Abdominal CT — axial view — 512x512 px — scan has 15 labeled organs (that count is for the whole scan; organs this slice misses have no box)
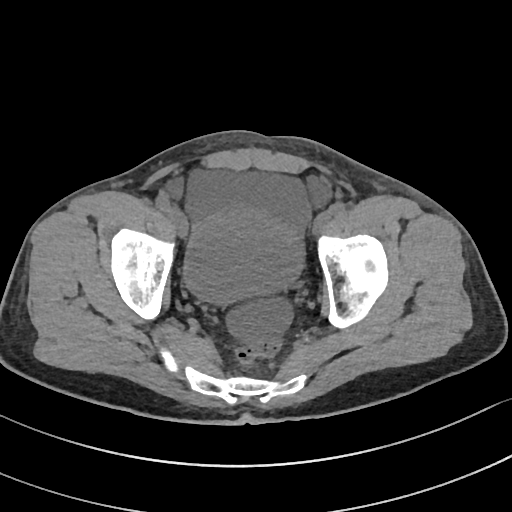

Boxes: x1:y1:x2:y2 in pixels.
bladder: 184:206:303:303